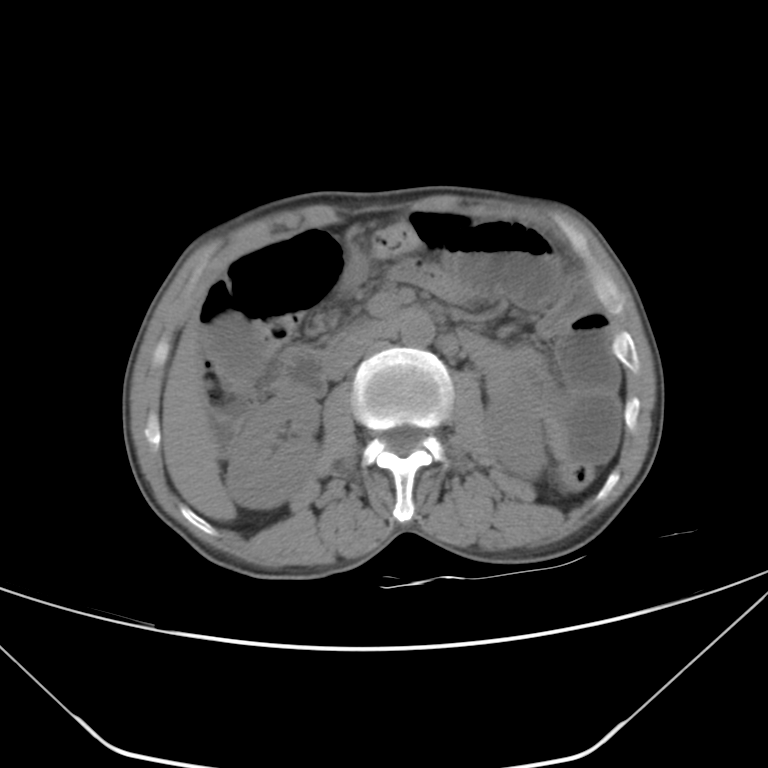
Computed tomography, abdomen; axial view
{"organs":{"right kidney":[226,394,319,509],"left kidney":[485,397,546,479],"gall bladder":[207,317,258,376],"liver":[163,317,235,521],"stomach":[346,250,366,288],"aorta":[399,312,433,348],"inferior vena cava":[327,337,378,380],"duodenum":[273,310,410,396]}}